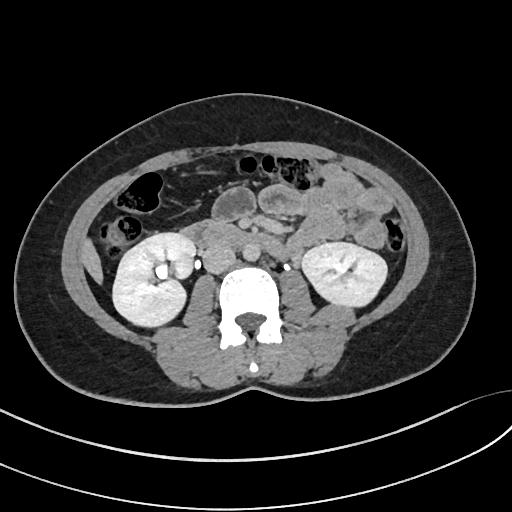
CT abdomen · axial plane, index 131
Bounding boxes as [x1, y1, x2, y2] in pixel coordinates. Labeled organs on this slice: right kidney at [112, 231, 195, 326], inferior vena cava at [202, 244, 234, 272], duodenum at [182, 220, 295, 261], aorta at [242, 244, 260, 261], liver at [81, 239, 102, 281], left kidney at [302, 242, 386, 306].